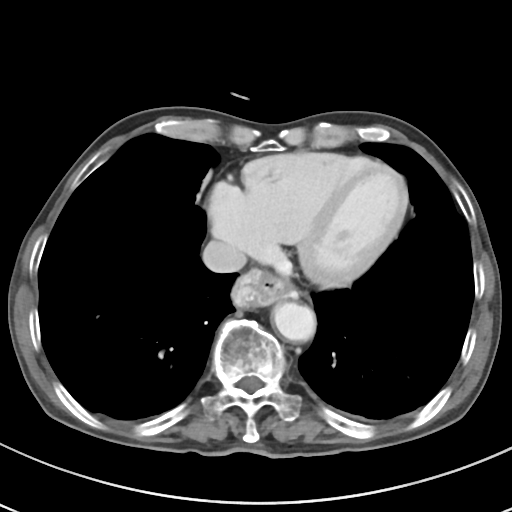 Lower-chest slice from an abdominal CT, just above the liver and spleen · axial view · soft-tissue window (W 400 / L 40) · scan has 15 labeled organs (a whole-scan count: organs this slice does not pass through have no box)
No part of the heart or lungs is labeled in this dataset, so neither has a box here.
{"organs":{"esophagus":[232,265,296,310],"aorta":[273,302,315,341],"inferior vena cava":[202,240,246,272]}}